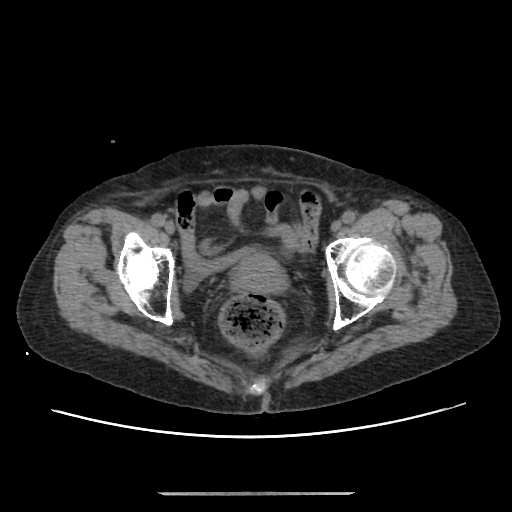

CT, abdomen/pelvis; axial plane, index 65; soft-tissue window; SOMATOM Force scanner
Box edges are left/top/right/bottom in pixels.
Organ bounding boxes:
- prostate/uterus: left=233, top=250, right=284, bottom=292